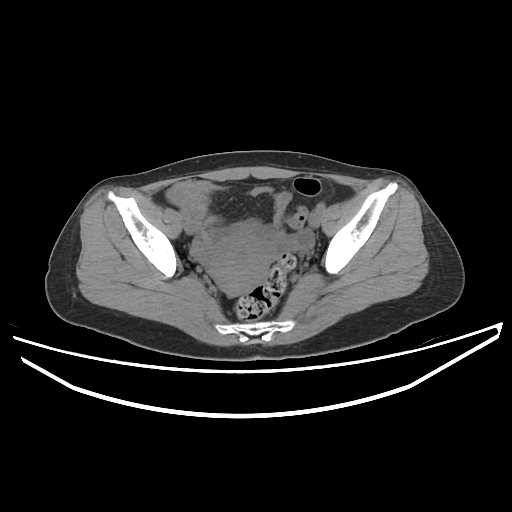 Computed tomography, abdomen — axial view — 50-year-old female patient
Boxes are (x1, y1, x2, y2) in pixels.
prostate/uterus: (205, 234, 272, 295)